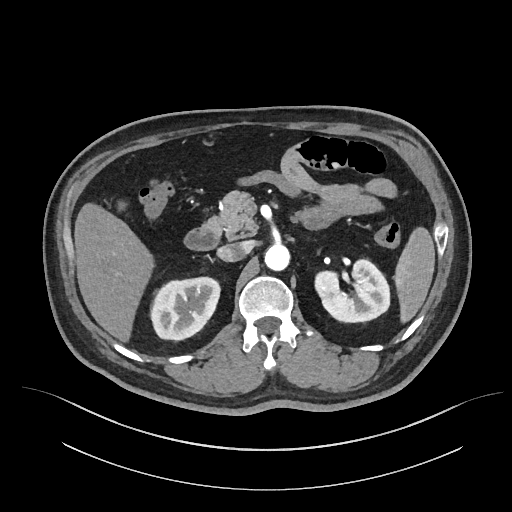 Computed tomography, abdomen — axial view — acquired on SOMATOM Force — 15 organs annotated in this scan (a whole-scan count: organs this slice does not pass through have no box)
One row per box, in pixels: columns x1 and y1 give the top-left corner, x2 and y2 the bottom-right.
| organ | x1 | y1 | x2 | y2 |
|---|---|---|---|---|
| spleen | 393 | 225 | 434 | 325 |
| left adrenal gland | 307 | 239 | 313 | 241 |
| duodenum | 185 | 215 | 221 | 250 |
| left kidney | 313 | 261 | 389 | 322 |
| pancreas | 219 | 191 | 258 | 239 |
| aorta | 264 | 244 | 289 | 271 |
| liver | 74 | 202 | 153 | 343 |
| right kidney | 152 | 277 | 219 | 340 |
| gall bladder | 114 | 196 | 130 | 214 |
| inferior vena cava | 216 | 242 | 248 | 261 |